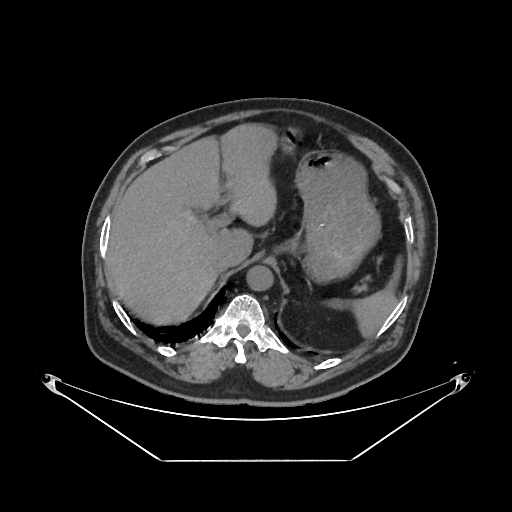 CT, abdomen/pelvis — Axial slice 279/353 — SOMATOM Force scanner
Bounding boxes as [x1, y1, x2, y2] in pixel coordinates. The annotated organs in this slice are: inferior vena cava at [211, 252, 235, 272], aorta at [247, 265, 273, 291], spleen at [354, 257, 401, 336], stomach at [282, 127, 380, 283], liver at [107, 123, 277, 324].